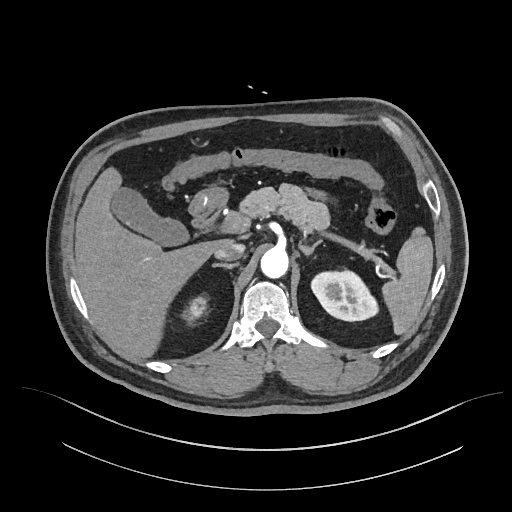

CT, abdomen/pelvis — axial view
<organs><organ name="spleen" x1="379" y1="230" x2="433" y2="335"/><organ name="right kidney" x1="186" y1="298" x2="202" y2="321"/><organ name="left kidney" x1="312" y1="269" x2="378" y2="322"/><organ name="gall bladder" x1="112" y1="188" x2="186" y2="245"/><organ name="liver" x1="74" y1="165" x2="236" y2="357"/><organ name="stomach" x1="188" y1="185" x2="229" y2="216"/><organ name="aorta" x1="260" y1="248" x2="288" y2="278"/><organ name="inferior vena cava" x1="214" y1="242" x2="244" y2="260"/><organ name="pancreas" x1="241" y1="184" x2="330" y2="230"/><organ name="right adrenal gland" x1="210" y1="263" x2="237" y2="269"/><organ name="left adrenal gland" x1="299" y1="240" x2="324" y2="256"/><organ name="duodenum" x1="192" y1="202" x2="225" y2="227"/></organs>